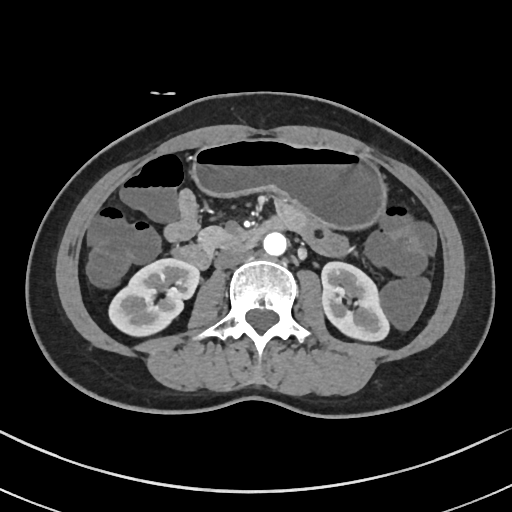 CT, abdomen/pelvis — axial view — 512x512 px — 15 organs annotated in this scan (a whole-scan count: organs this slice does not pass through have no box)
Each box given as x1,y1,x2,y2.
Organ bounding boxes:
- right kidney: x1=108, y1=258, x2=199, y2=336
- left kidney: x1=321, y1=261, x2=389, y2=341
- stomach: x1=192, y1=138, x2=385, y2=227
- aorta: x1=263, y1=231, x2=287, y2=255
- inferior vena cava: x1=215, y1=248, x2=249, y2=267
- pancreas: x1=198, y1=226, x2=230, y2=250
- duodenum: x1=171, y1=218, x2=282, y2=268